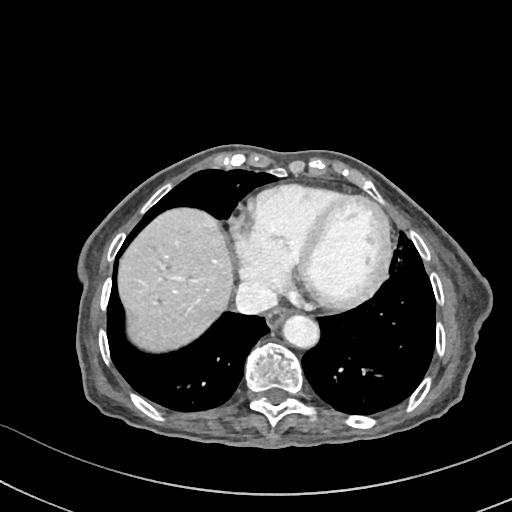

Abdominal CT — axial plane, index 215 — acquired on SOMATOM Force
{"organs":{"esophagus":[266,305,291,327],"liver":[116,206,233,350],"aorta":[281,314,317,347],"inferior vena cava":[236,282,276,314]}}